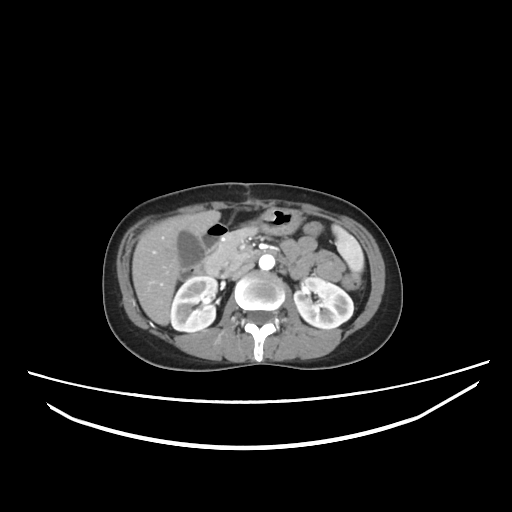
Abdominal CT — axial plane, index 48 — abdomen soft-tissue window — 512x512 px — 43-year-old female patient — 15 organs annotated in this scan (counted over the whole 3D scan, not this slice; an organ is boxed only where this slice passes through it)
Boxes are (x1, y1, x2, y2) in pixels.
Organ bounding boxes:
- spleen: (332, 225, 363, 275)
- right kidney: (170, 275, 217, 332)
- left kidney: (294, 277, 353, 328)
- gall bladder: (178, 230, 203, 266)
- liver: (132, 210, 220, 325)
- stomach: (223, 208, 302, 235)
- aorta: (259, 254, 274, 270)
- inferior vena cava: (230, 261, 254, 279)
- pancreas: (203, 227, 256, 277)
- duodenum: (179, 222, 262, 280)